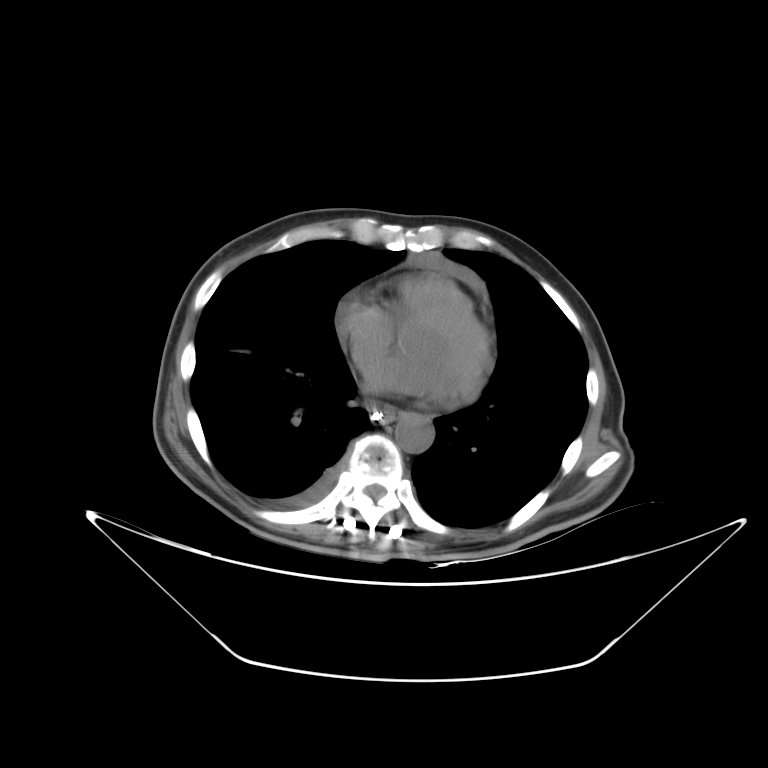

Lower-chest slice from an abdominal CT, just above the liver and spleen · axial view · 55-year-old male patient
No part of the heart or lungs is labeled in this dataset, so neither has a box here.
{"organs":{"esophagus":[371,406,395,423],"aorta":[395,413,433,452]}}